CT, abdomen/pelvis — axial view — W/L 400/40 HU
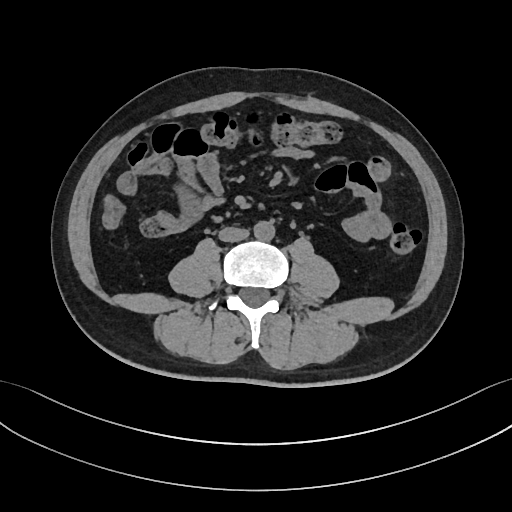
Boxes: x1:y1:x2:y2 in pixels. The annotated organs in this slice are: aorta at 253:221:274:240, inferior vena cava at 219:227:249:242.